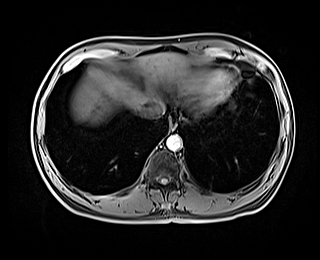

Magnetic resonance imaging, abdomen — axial plane, index 67 — 320x260 px
Boxes are (x1, y1, x2, y2) in pixels. Labeled organs on this slice: esophagus at (169, 116, 176, 129), liver at (71, 53, 188, 124), aorta at (166, 134, 182, 150), inferior vena cava at (142, 102, 164, 118).